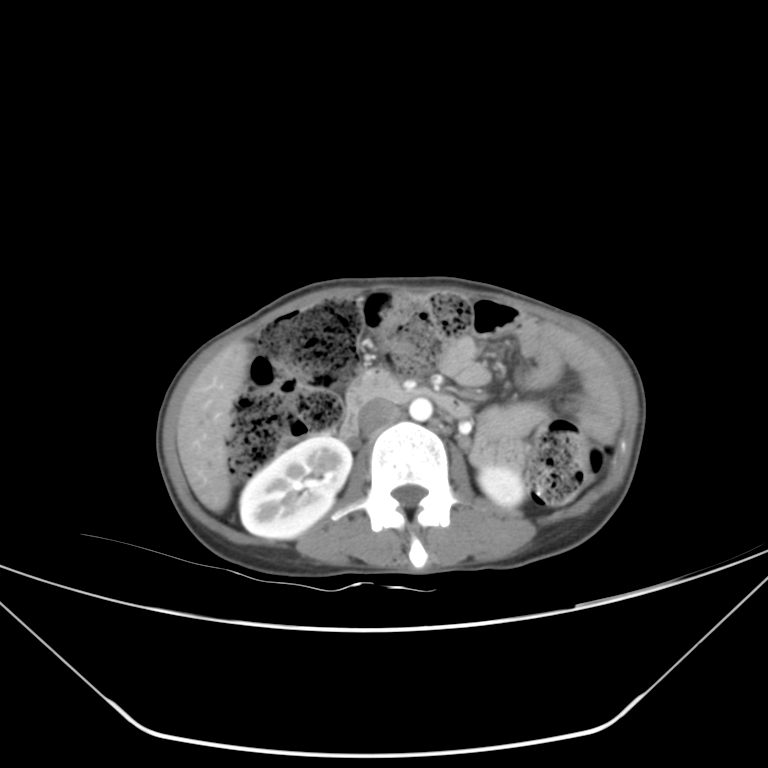 Abdominal CT. axial view
Boxes: x1 y1 x2 y2 (pixel coords, space-separated).
duodenum: 338 372 468 439
right kidney: 239 434 352 539
aorta: 409 398 432 421
inferior vena cava: 362 401 401 430
left kidney: 478 466 524 506
liver: 177 343 248 512